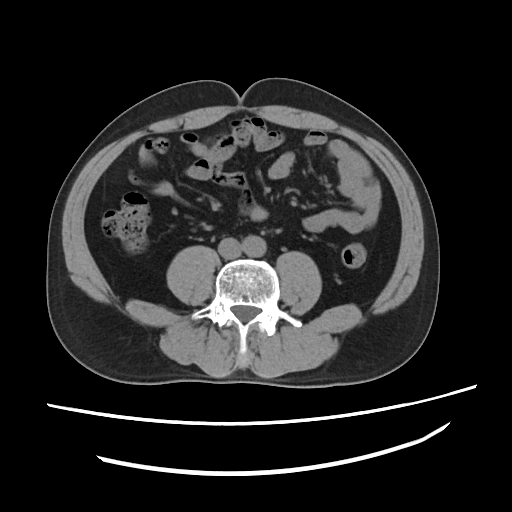 CT abdomen; axial view; Aquilion ONE scanner
Boxes are (x1, y1, x2, y2) in pixels.
Organ bounding boxes:
- aorta: (241, 235, 267, 257)
- inferior vena cava: (218, 238, 240, 258)